Abdominal MRI; this slice is in the lower chest, just above the liver; axial view
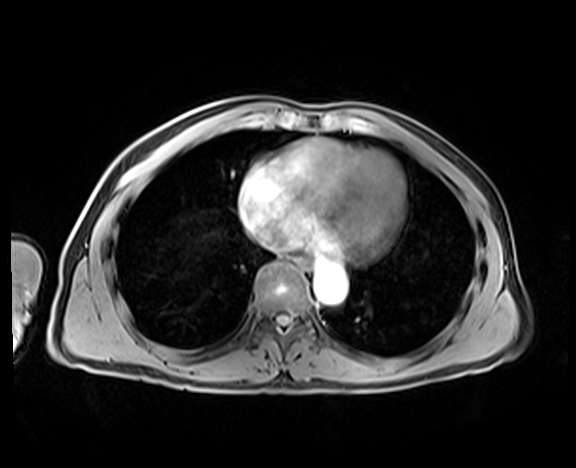 No part of the heart or lungs is labeled in this dataset, so neither has a box here.
Boxes: x1:y1:x2:y2 in pixels.
inferior vena cava: 264:236:279:247
aorta: 314:265:346:303
esophagus: 294:257:311:271